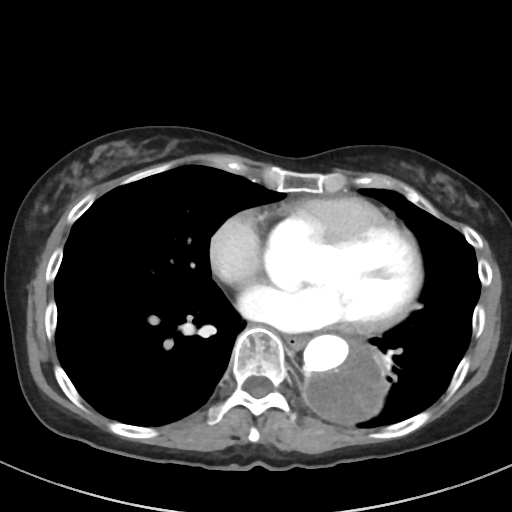

Abdominal CT reaching into the chest; this slice is in the chest. axial plane, index 80
On a slice this high in the chest, this dataset labels only the esophagus and the aorta, and each is boxed only where it is labeled; the heart, lungs and other chest structures are not labeled.
Coordinates as <box>x1,y1,x2,y2</box> in pixels.
esophagus: <box>285,335,306,349</box>
aorta: <box>303,335,385,422</box>